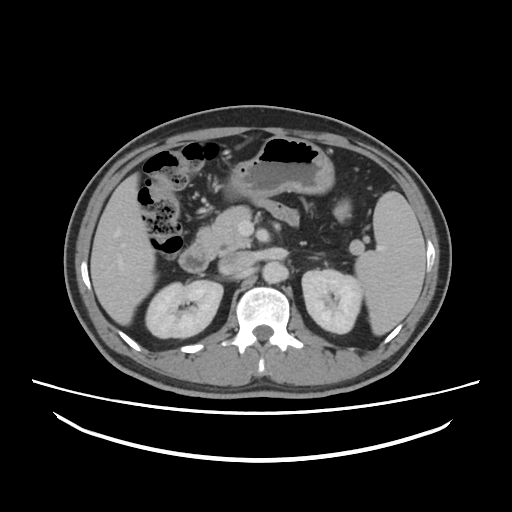

Computed tomography, abdomen — Axial slice 72/133 — soft-tissue window
Bounding boxes as [x1, y1, x2, y2] in pixel coordinates. 10 labeled organs on this slice — spleen at [355, 191, 425, 335]; right kidney at [145, 280, 223, 338]; left kidney at [302, 269, 362, 333]; liver at [90, 173, 155, 325]; stomach at [228, 136, 334, 199]; aorta at [262, 261, 287, 283]; inferior vena cava at [219, 251, 254, 274]; pancreas at [198, 205, 251, 251]; left adrenal gland at [309, 256, 318, 258]; duodenum at [179, 241, 215, 272].